Abdominal CT · axial view
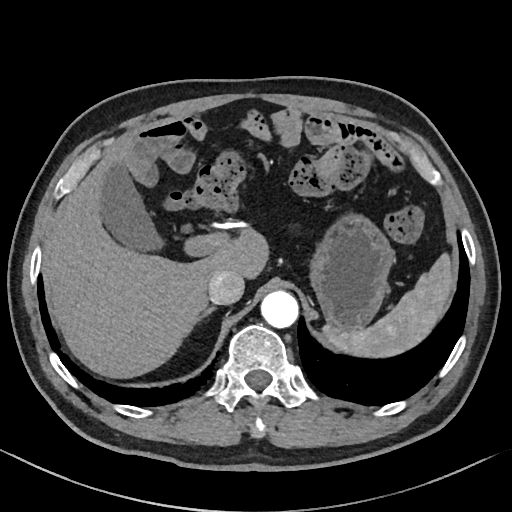

Coordinates as <box>x1,y1,x2,y2</box> in pixels.
Organ bounding boxes:
- spleen: <box>324,253,453,357</box>
- gall bladder: <box>101,164,161,251</box>
- liver: <box>44,136,270,378</box>
- stomach: <box>310,216,396,329</box>
- aorta: <box>260,291,299,328</box>
- inferior vena cava: <box>208,271,244,304</box>
- right adrenal gland: <box>204,308,213,316</box>